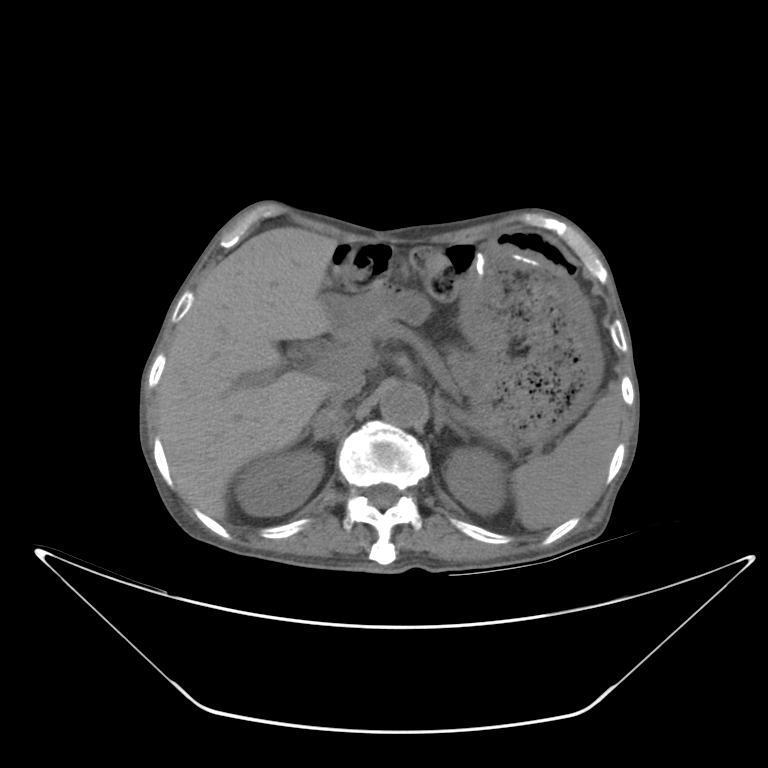

Computed tomography, abdomen — axial view — 768x768 px
Boxes are (x1, y1, x2, y2) in pixels. The annotated organs in this slice are: aorta at (379, 381, 425, 426), left kidney at (448, 449, 502, 514), right kidney at (232, 448, 322, 517), left adrenal gland at (430, 397, 468, 440), pancreas at (444, 344, 477, 398), spleen at (512, 392, 622, 530), liver at (157, 228, 337, 519), inferior vena cava at (318, 374, 364, 412), right adrenal gland at (309, 406, 349, 442), stomach at (460, 240, 601, 447).